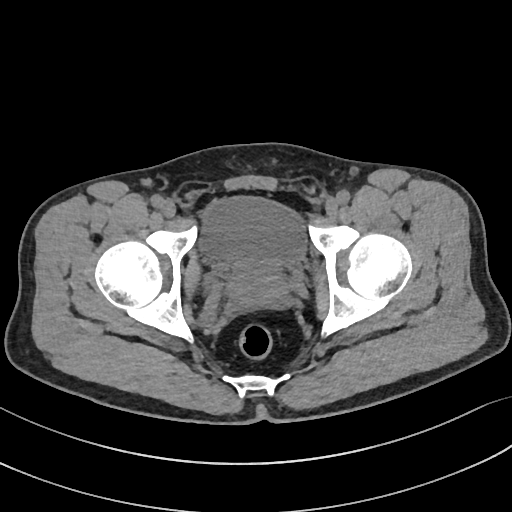
Abdominal CT · axial plane, index 35 · soft-tissue window · 15 organs annotated in this scan (a whole-scan count: organs this slice does not pass through have no box)
Box edges are left/top/right/bottom in pixels.
Organ bounding boxes:
- bladder: left=198, top=195, right=308, bottom=267
- prostate/uterus: left=228, top=265, right=286, bottom=305